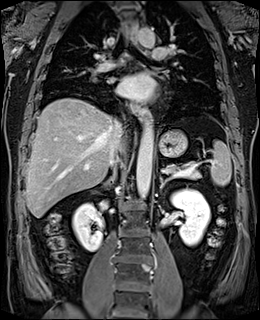

Magnetic resonance imaging, abdomen. coronal acquisition
{"organs":{"left kidney":[171,189,210,245],"pancreas":[165,165,200,178],"stomach":[158,129,187,157],"liver":[26,98,124,218],"inferior vena cava":[111,119,122,168],"esophagus":[133,102,148,120],"aorta":[[136,116,153,198],[138,27,156,47]],"right kidney":[72,203,103,251],"right adrenal gland":[103,173,116,186],"spleen":[210,140,231,185],"left adrenal gland":[159,176,169,191]}}